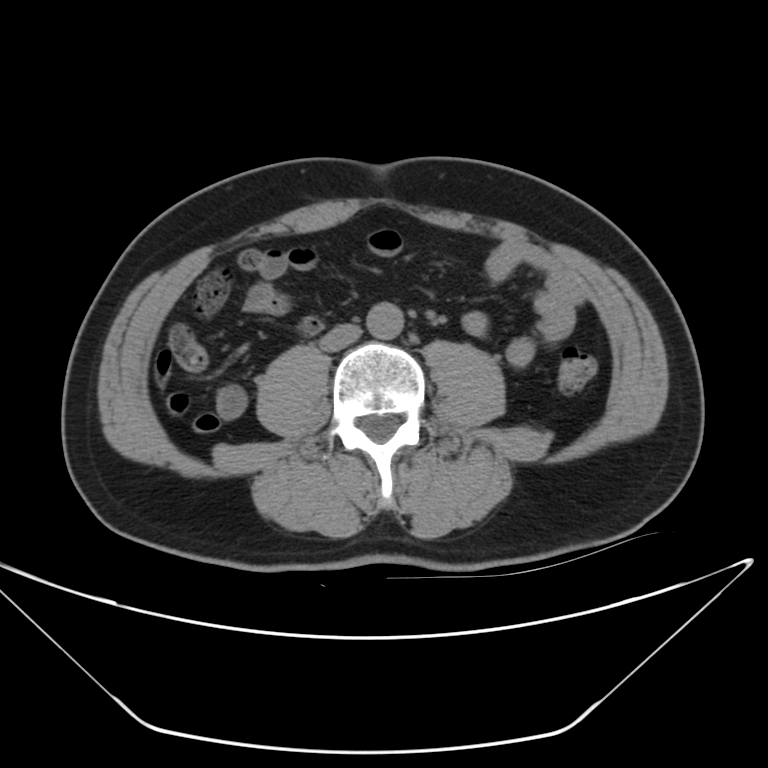

CT, abdomen/pelvis · axial view · W/L 400/40 HU · 768x768 px · 45-year-old male patient
Box edges are left/top/right/bottom in pixels.
aorta: left=366, top=302, right=408, bottom=342
inferior vena cava: left=320, top=322, right=362, bottom=350